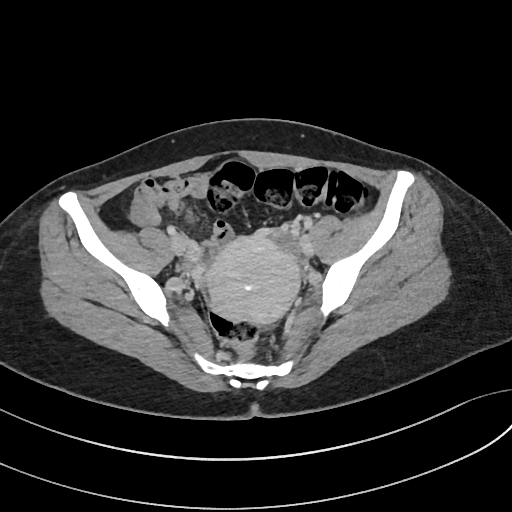

Abdominal CT. Axial slice 65/219. 512x512 px
Boxes: x1:y1:x2:y2 in pixels. The annotated organs in this slice are: prostate/uterus at 205:231:300:324.